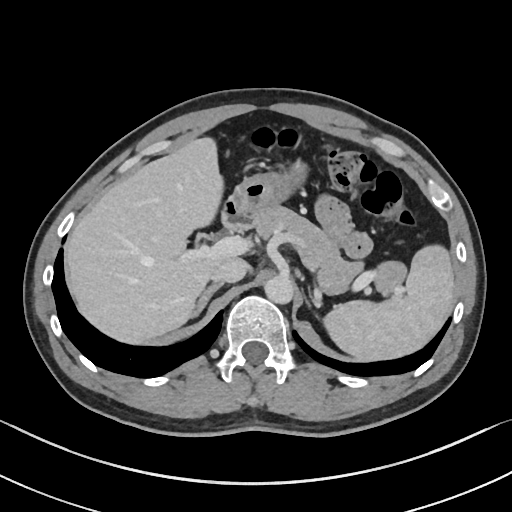

Computed tomography, abdomen; axial view; 512x512 px
Bounding boxes as [x1, y1, x2, y2] in pixel coordinates. 8 labeled organs on this slice — spleen at [323, 245, 454, 361]; liver at [65, 137, 248, 344]; stomach at [231, 162, 306, 223]; aorta at [264, 275, 293, 303]; inferior vena cava at [211, 258, 246, 282]; pancreas at [252, 205, 404, 292]; right adrenal gland at [192, 282, 223, 317]; duodenum at [222, 196, 251, 231].